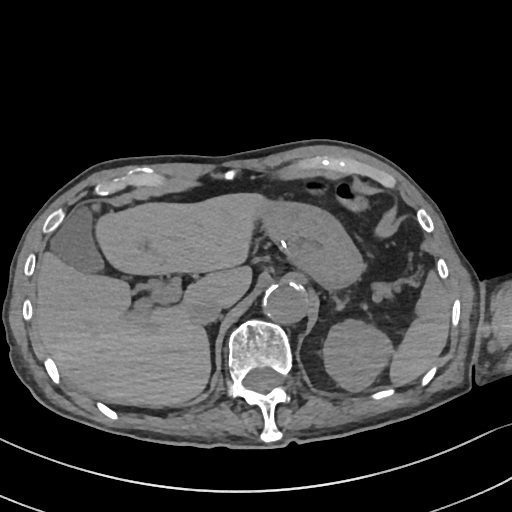

Computed tomography, abdomen · axial view · W/L 400/40 HU · 512x512 px
Each box given as x1,y1,x2,y2.
Organ bounding boxes:
- spleen: x1=389, y1=273, x2=449, y2=386
- left kidney: x1=323, y1=321, x2=391, y2=390
- gall bladder: x1=51, y1=207, x2=103, y2=271
- liver: x1=34, y1=192, x2=277, y2=407
- stomach: x1=264, y1=204, x2=360, y2=286
- aorta: x1=263, y1=283, x2=307, y2=324
- inferior vena cava: x1=190, y1=296, x2=223, y2=324
- left adrenal gland: x1=334, y1=298, x2=348, y2=310